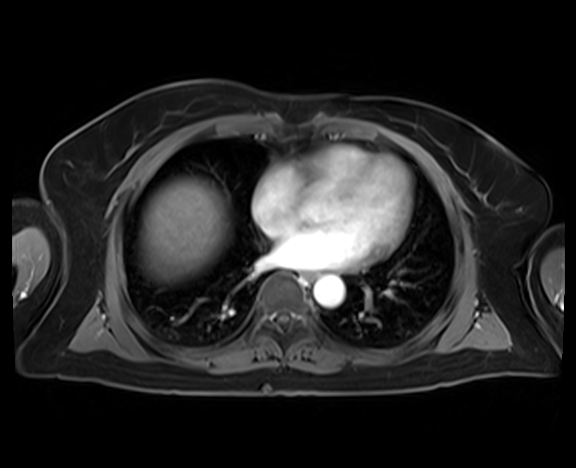 Magnetic resonance imaging, abdomen. axial plane, index 69. percentile-normalized
Boxes: x1:y1:x2:y2 in pixels. Labeled organs on this slice: esophagus at 303:271:317:282, liver at 140:178:229:282, aorta at 314:275:344:307.